CT of the abdomen reaching into the lower chest, slice just above the liver and spleen. axial view
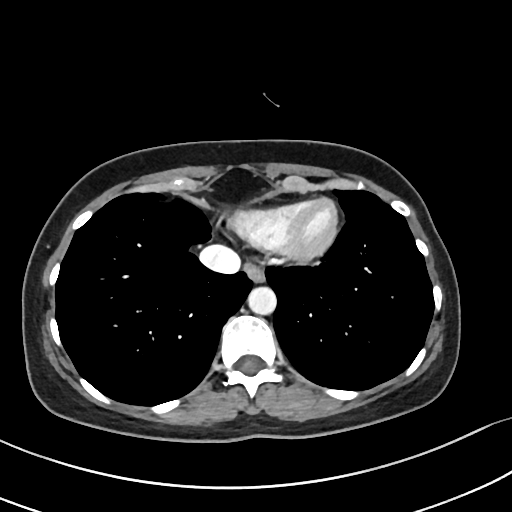
No part of the heart or lungs is labeled in this dataset, so neither has a box here.
{"organs":{"esophagus":[244,261,264,281],"aorta":[247,286,276,314],"inferior vena cava":[199,245,241,273]}}